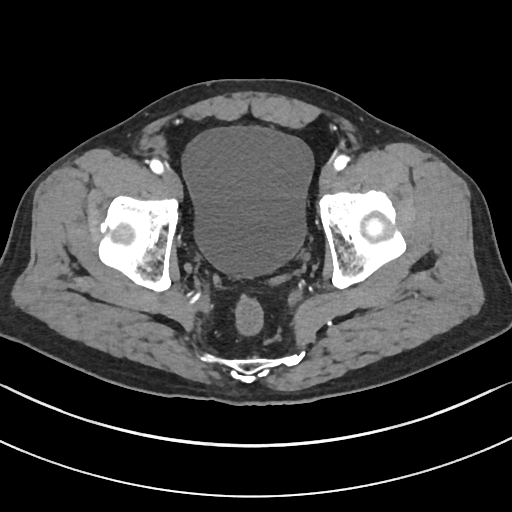
Abdominal CT · axial view · abdomen soft-tissue window · 512x512 px
Each box given as x1,y1,x2,y2.
Organ bounding boxes:
- bladder: x1=182, y1=126, x2=313, y2=276